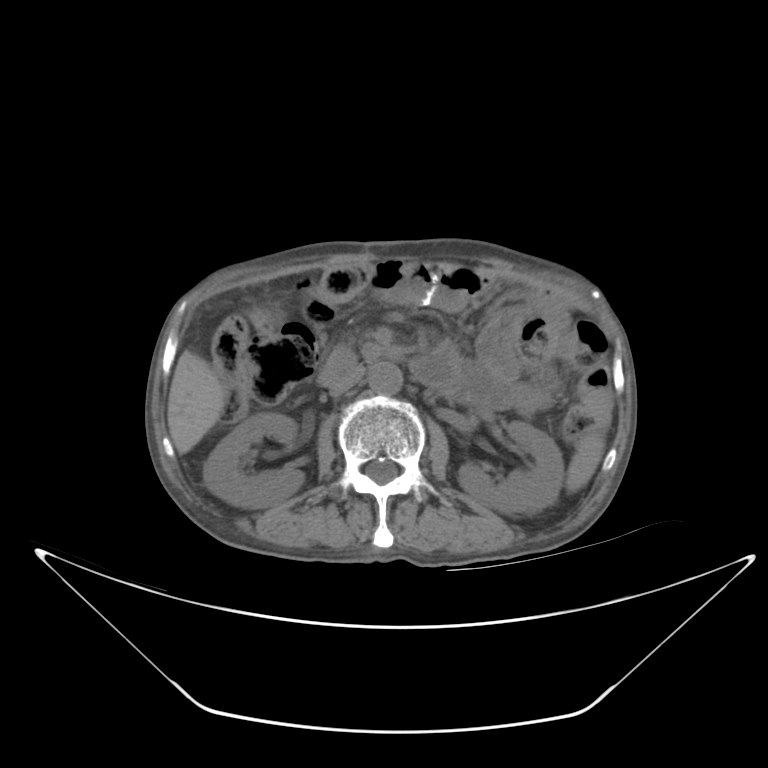

CT, abdomen/pelvis. axial view. W/L 400/40 HU
Box edges are left/top/right/bottom in pixels.
Organ bounding boxes:
- aorta: left=368, top=362, right=402, bottom=394
- left kidney: left=459, top=424, right=562, bottom=512
- right kidney: left=202, top=414, right=302, bottom=508
- liver: left=167, top=349, right=226, bottom=452
- spleen: left=566, top=428, right=604, bottom=489
- inferior vena cava: left=329, top=366, right=365, bottom=396